CT, abdomen/pelvis — Axial slice 48/89 — 32-year-old female patient
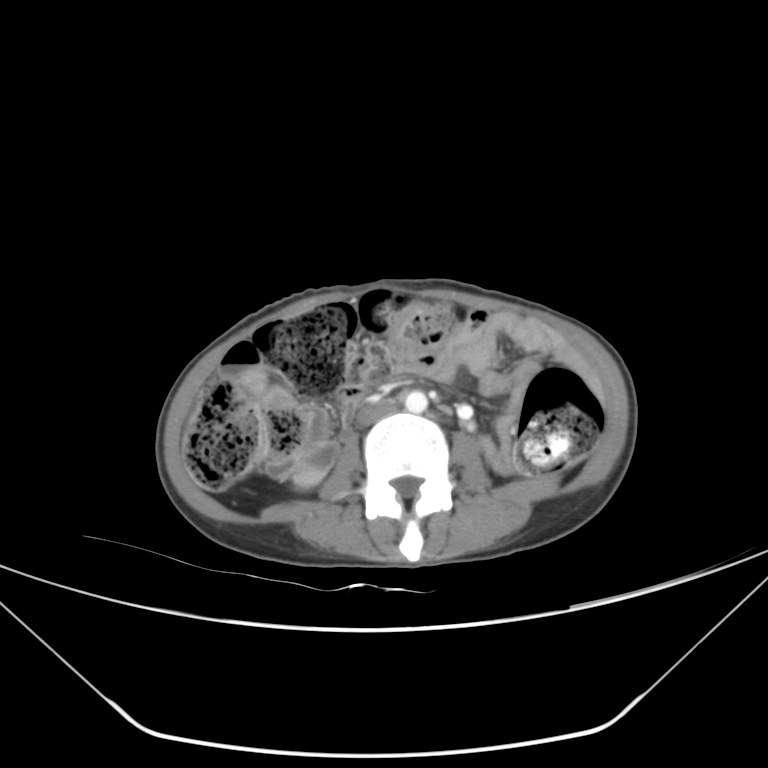
<organs><organ name="inferior vena cava" x1="358" y1="398" x2="398" y2="425"/><organ name="right kidney" x1="299" y1="470" x2="320" y2="485"/><organ name="aorta" x1="404" y1="390" x2="428" y2="412"/></organs>